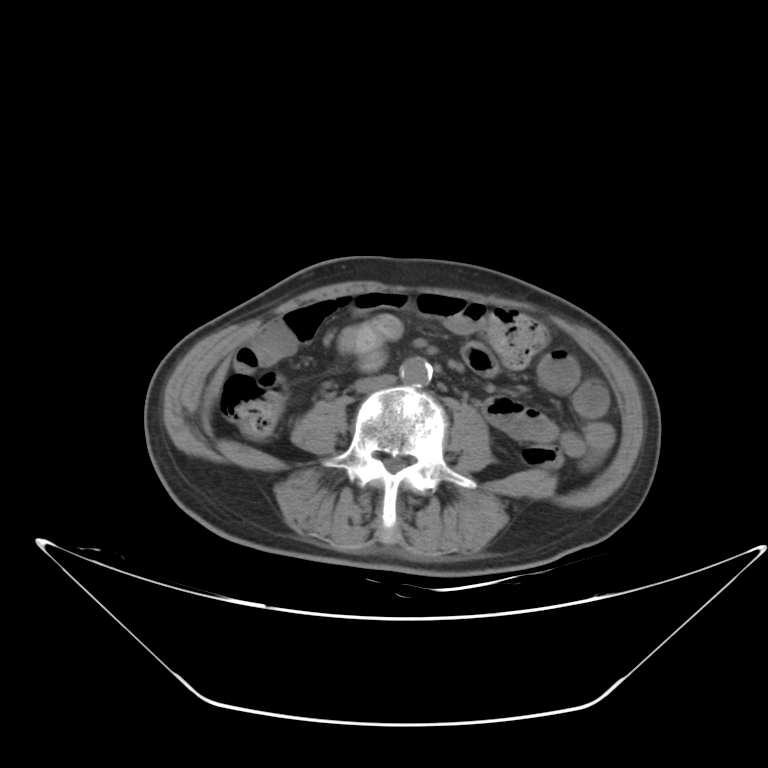
CT, abdomen/pelvis · axial view · abdomen soft-tissue window · 15 organs annotated in this scan (that count is for the whole scan; organs this slice misses have no box)
Boxes: x1:y1:x2:y2 in pixels. 2 labeled organs on this slice — inferior vena cava at 354:375:397:392; aorta at 399:357:432:386.